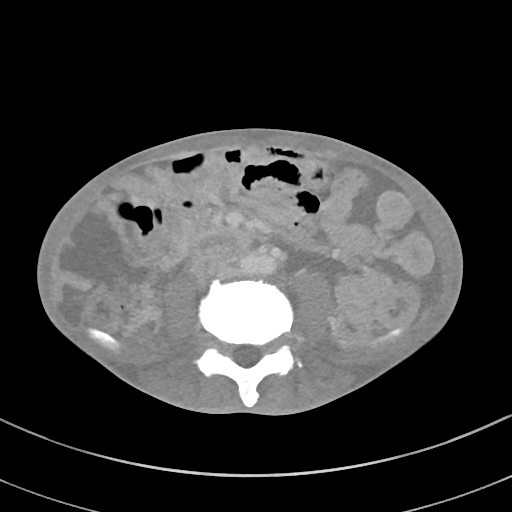

Abdominal CT. axial plane, index 43. W/L 400/40 HU. acquired on SOMATOM Force
Boxes are (x1, y1, x2, y2) in pixels.
Organ bounding boxes:
- inferior vena cava: (217, 266, 238, 278)
- pancreas: (189, 223, 243, 251)
- duodenum: (188, 239, 251, 275)